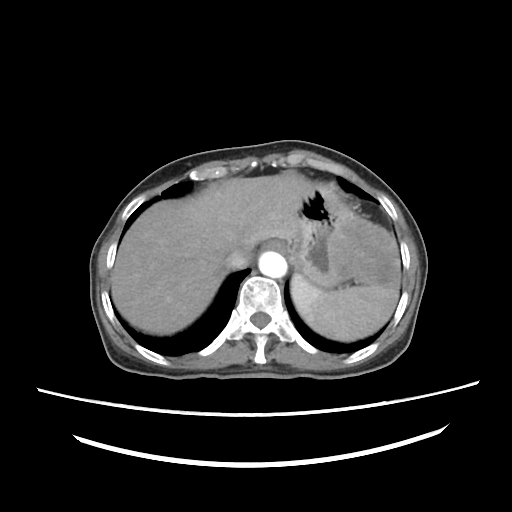

Computed tomography, abdomen; axial view; soft-tissue window; 512x512 px
One row per box, in pixels: columns x1 and y1 give the top-left corner, x2 and y2 the bottom-right.
| organ | x1 | y1 | x2 | y2 |
|---|---|---|---|---|
| spleen | 289 | 273 | 398 | 341 |
| esophagus | 262 | 242 | 285 | 252 |
| liver | 111 | 174 | 312 | 331 |
| stomach | 286 | 183 | 401 | 292 |
| aorta | 259 | 251 | 287 | 279 |
| inferior vena cava | 224 | 249 | 250 | 269 |